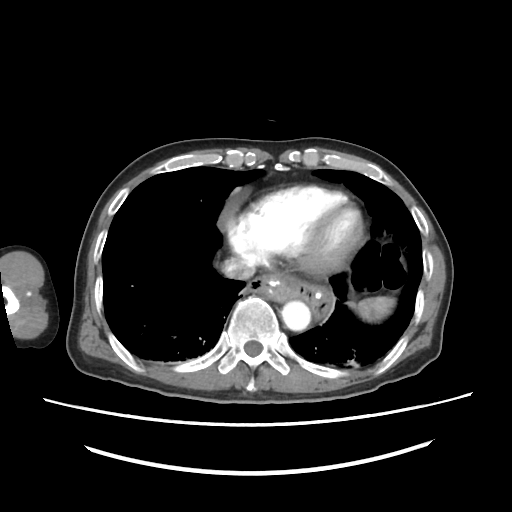

Computed tomography, abdomen. axial view. soft-tissue window. 512x512 px
<organs><organ name="spleen" x1="348" y1="297" x2="394" y2="320"/><organ name="aorta" x1="282" y1="301" x2="309" y2="334"/><organ name="inferior vena cava" x1="219" y1="260" x2="253" y2="278"/></organs>